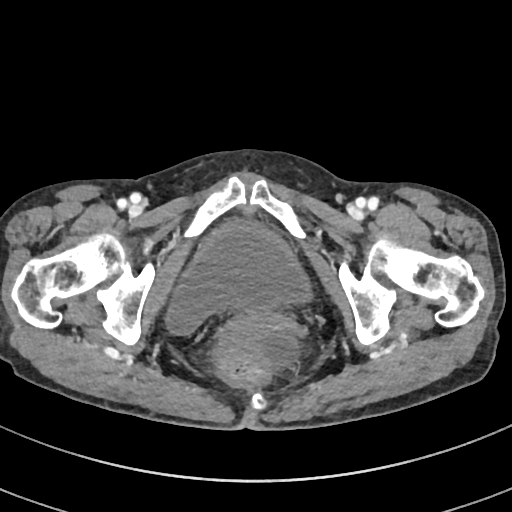

Abdominal CT. Axial slice 13/198. 512x512 px
{"organs":{"bladder":[165,220,311,334]}}